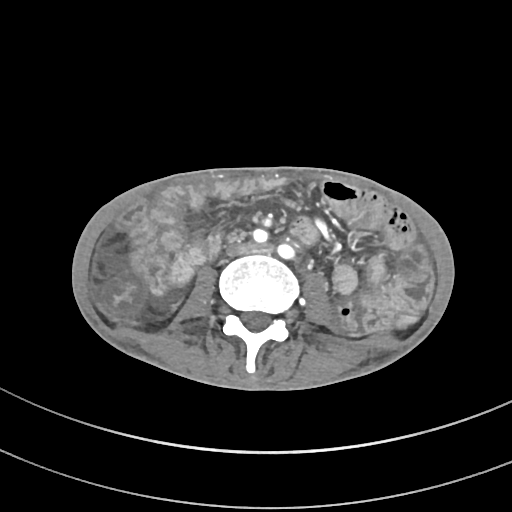 Abdominal CT; axial view; 512x512 px
Boxes are (x1, y1, x2, y2) in pixels.
Organ bounding boxes:
- inferior vena cava: (230, 246, 243, 253)